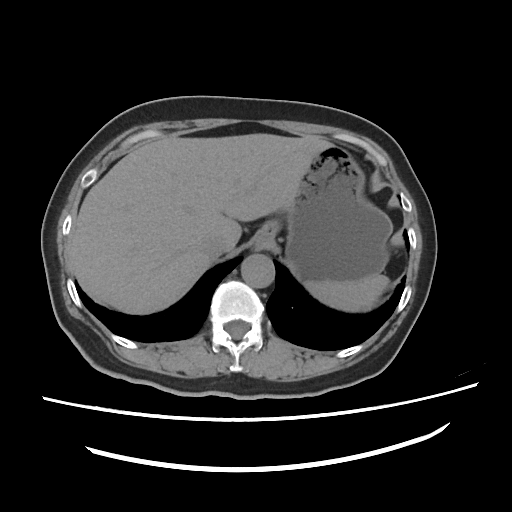
Computed tomography, abdomen — Axial slice 76/88 — 512x512 px
Bounding boxes as [x1, y1, x2, y2] in pixel coordinates.
stomach: [254, 145, 392, 281]
inferior vena cava: [198, 234, 226, 259]
spleen: [305, 275, 389, 311]
liver: [74, 133, 332, 314]
aorta: [241, 254, 274, 288]